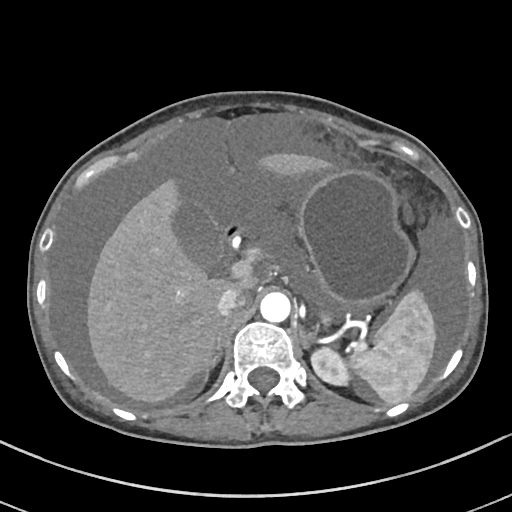
CT abdomen · Axial slice 172/237 · scan has 15 labeled organs (counted over the whole 3D scan, not this slice; an organ is boxed only where this slice passes through it)
{"organs":{"right adrenal gland":[204,317,230,380],"pancreas":[317,311,334,320],"left adrenal gland":[299,325,309,349],"spleen":[349,290,436,403],"aorta":[260,291,290,321],"duodenum":[220,221,248,245],"stomach":[299,170,412,307],"liver":[87,153,328,401],"gall bladder":[170,199,221,266],"inferior vena cava":[216,287,246,315],"left kidney":[310,346,350,386]}}